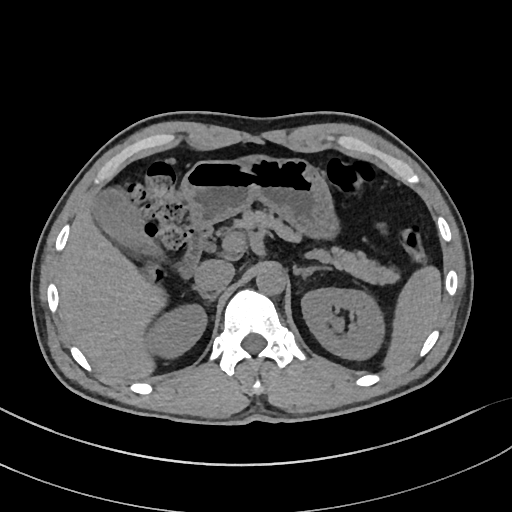 Computed tomography, abdomen · axial view · W/L 400/40 HU · 512x512 px · SOMATOM Force scanner · scan has 15 labeled organs (a whole-scan count: organs this slice does not pass through have no box)
{"organs":{"spleen":[385,267,441,366],"right kidney":[146,306,207,358],"left kidney":[301,287,385,360],"gall bladder":[91,189,159,256],"liver":[58,203,164,378],"stomach":[181,156,337,239],"aorta":[256,263,286,294],"inferior vena cava":[194,259,234,293],"pancreas":[230,209,397,284],"right adrenal gland":[199,291,216,302],"left adrenal gland":[294,264,329,277],"duodenum":[180,222,212,279]}}